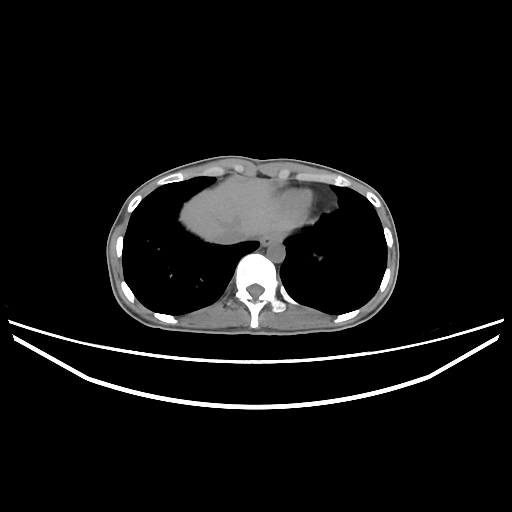
Computed tomography, abdomen — axial view — W/L 400/40 HU — acquired on Aquilion ONE
{"organs":{"esophagus":[260,232,281,246],"inferior vena cava":[218,229,248,243],"aorta":[267,242,284,262],"liver":[180,179,296,242]}}